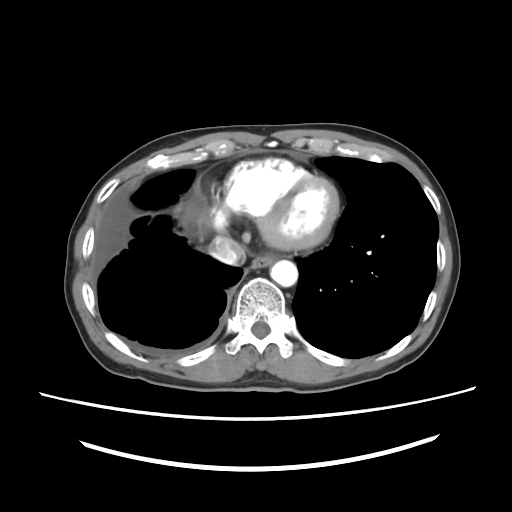 CT of the abdomen reaching into the lower chest, slice just above the liver and spleen — axial view
No part of the heart or lungs is labeled in this dataset, so neither has a box here.
One row per box, in pixels: columns x1 and y1 give the top-left corner, x2 and y2 the bottom-right.
| organ | x1 | y1 | x2 | y2 |
|---|---|---|---|---|
| esophagus | 251 | 253 | 277 | 268 |
| aorta | 270 | 260 | 297 | 286 |
| inferior vena cava | 209 | 236 | 245 | 264 |